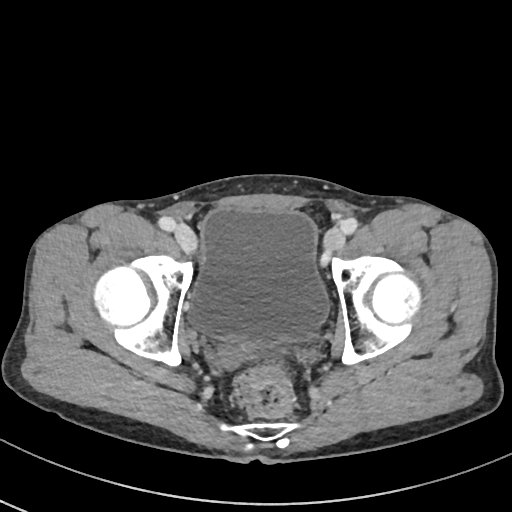

Abdominal CT — axial view — abdomen soft-tissue window — 15 organs annotated in this scan (that count is for the whole scan; organs this slice misses have no box)
Organ boxes in pixel coordinates; each row gives the top-left (x1, y1) and bottom-right (x2, y2) corners.
| organ | x1 | y1 | x2 | y2 |
|---|---|---|---|---|
| bladder | 189 | 207 | 328 | 342 |